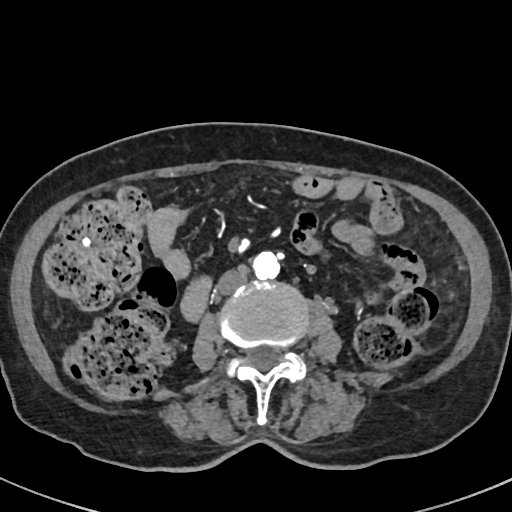 Computed tomography, abdomen — Axial slice 110/279 — acquired on SOMATOM Force
{"organs":{"aorta":[252,250,279,279],"inferior vena cava":[216,266,247,294]}}